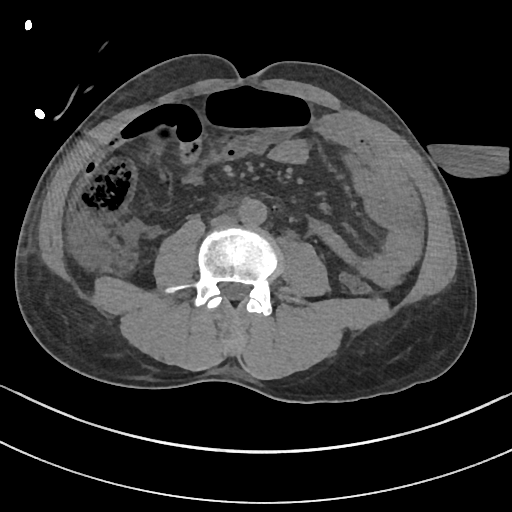

CT abdomen; axial view; soft-tissue window
Boxes: x1:y1:x2:y2 in pixels.
aorta: 238:199:266:224
inferior vena cava: 210:214:236:226